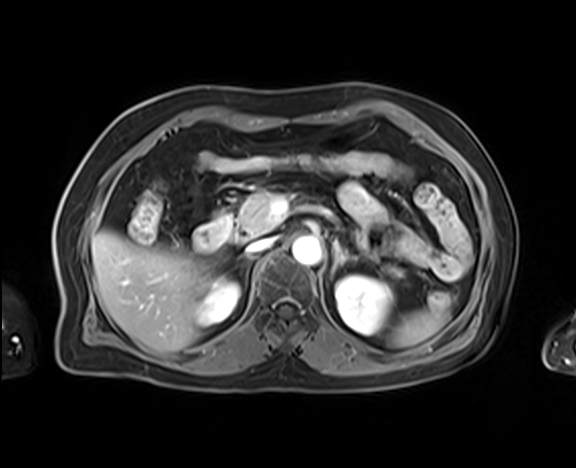
MRI, abdomen. axial view. 576x468 px
{"organs":{"liver":[92,231,209,352],"inferior vena cava":[246,238,274,253],"left adrenal gland":[331,241,356,276],"left kidney":[335,275,392,334],"duodenum":[194,212,236,251],"right kidney":[194,278,239,325],"spleen":[390,309,444,347],"aorta":[292,235,321,264],"pancreas":[232,191,402,277],"right adrenal gland":[237,254,255,287]}}